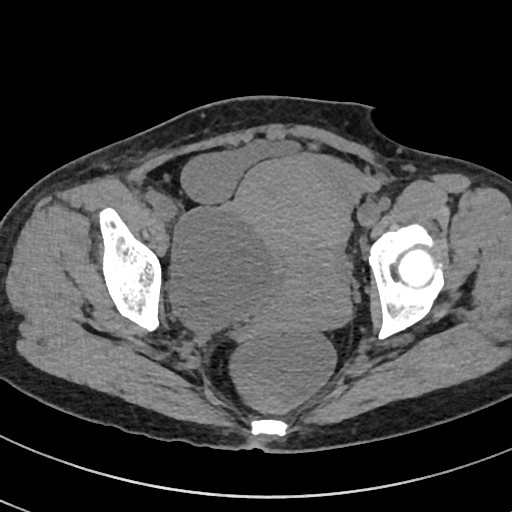 Computed tomography, abdomen; axial view; abdomen soft-tissue window
Bounding boxes as [x1, y1, x2, y2] in pixel coordinates.
Organ bounding boxes:
- bladder: [181, 140, 298, 203]
- prostate/uterus: [231, 154, 350, 341]